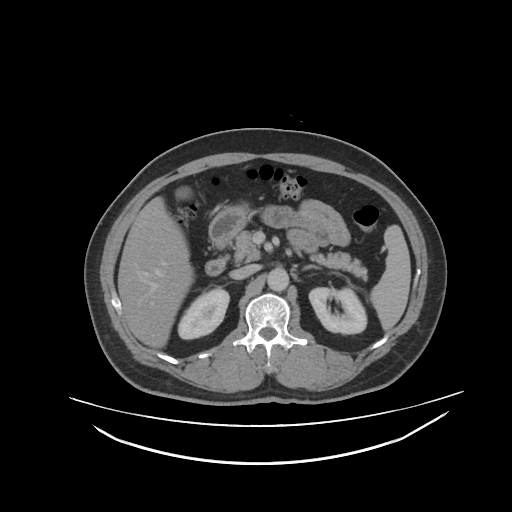
Abdominal CT; axial view; W/L 400/40 HU; 45-year-old male patient; Aquilion ONE scanner
Boxes: x1:y1:x2:y2 in pixels. 11 labeled organs on this slice — spleen at 369:225:410:332; right kidney at 178:288:229:339; left kidney at 308:287:366:333; gall bladder at 176:187:190:197; liver at 117:195:194:348; stomach at 210:201:250:244; aorta at 267:268:288:291; inferior vena cava at 237:265:258:278; pancreas at 234:232:368:280; left adrenal gland at 302:264:320:271; duodenum at 204:258:225:274.